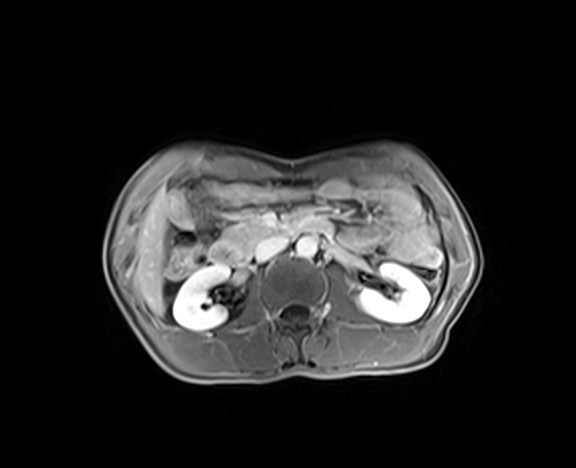
Abdominal MR — axial view — 1st–99th percentile window — scan has 13 labeled organs (counted over the whole 3D scan, not this slice; an organ is boxed only where this slice passes through it)
{"organs":{"right kidney":[172,264,230,330],"left kidney":[357,263,430,323],"liver":[134,188,169,315],"aorta":[296,237,317,258],"inferior vena cava":[253,235,288,261],"pancreas":[222,211,285,257],"duodenum":[208,216,323,263]}}